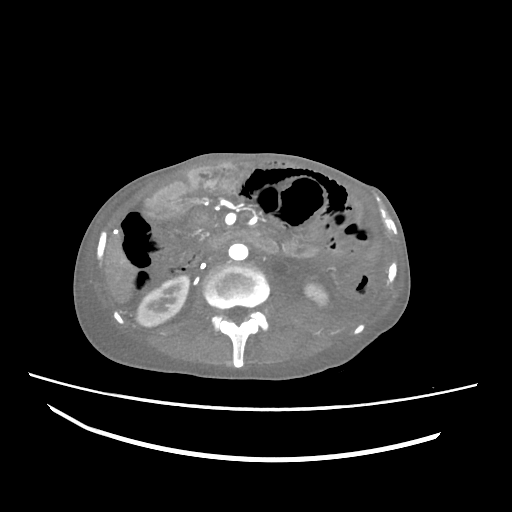

CT abdomen. axial view. 47-year-old male patient
Bounding boxes as [x1, y1, x2, y2] in pixel coordinates.
inferior vena cava: [207, 249, 225, 263]
duodenum: [205, 231, 278, 253]
right kidney: [136, 275, 189, 326]
aorta: [228, 243, 248, 260]
left kidney: [304, 283, 327, 305]
liver: [104, 235, 137, 303]